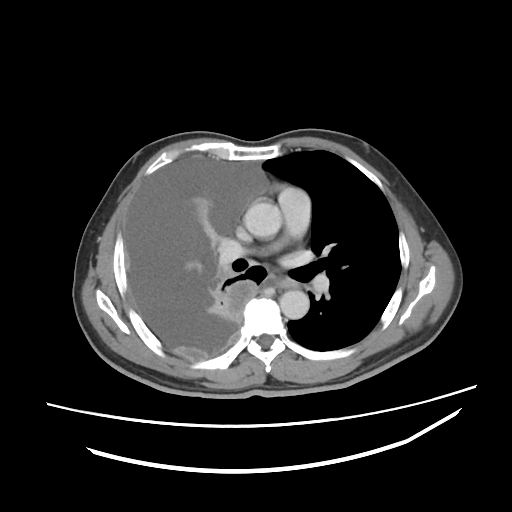 CT of the abdomen extending into the chest, slice through the chest · axial view · 49-year-old male patient · Aquilion ONE scanner
On a slice this high in the chest, this dataset labels only the esophagus and the aorta, and each is boxed only where it is labeled; the heart, lungs and other chest structures are not labeled.
Bounding boxes as [x1, y1, x2, y2] in pixel coordinates.
esophagus: [279, 278, 298, 288]
aorta: [244, 202, 282, 237]
aorta: [279, 290, 309, 319]